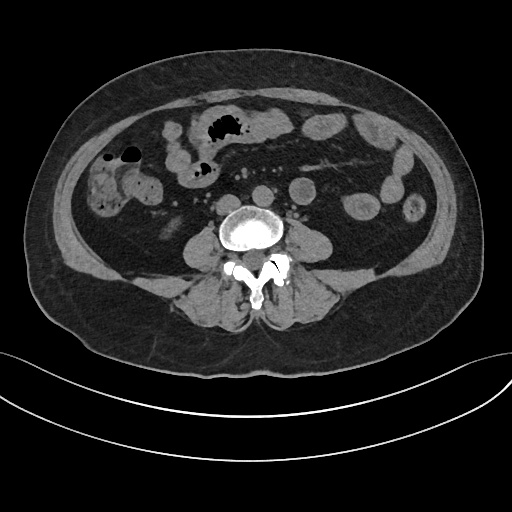
CT abdomen. axial plane, index 96
Boxes: x1 y1 x2 y2 (pixel coords, space-separated).
inferior vena cava: 216 195 240 214
right kidney: 162 218 179 237
aorta: 252 185 273 206